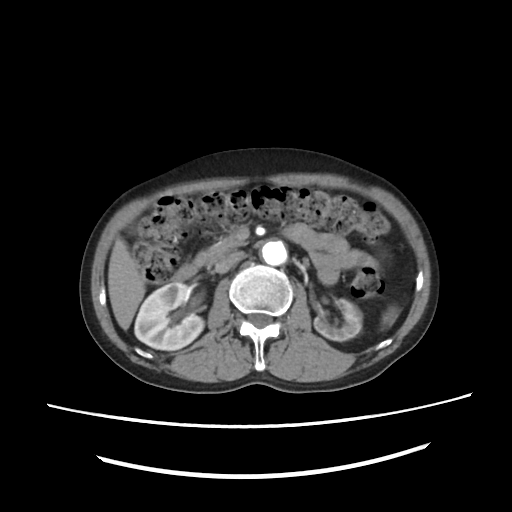
Computed tomography, abdomen · axial view · W/L 400/40 HU · 67-year-old male patient · scan has 15 labeled organs (a whole-scan count: organs this slice does not pass through have no box)
Organ boxes in pixel coordinates; each row gives the top-left (x1, y1) and bottom-right (x2, y2) corners.
| organ | x1 | y1 | x2 | y2 |
|---|---|---|---|---|
| spleen | 381 | 307 | 398 | 327 |
| right kidney | 134 | 282 | 204 | 350 |
| left kidney | 314 | 297 | 361 | 341 |
| liver | 107 | 238 | 144 | 329 |
| aorta | 262 | 240 | 286 | 266 |
| inferior vena cava | 214 | 252 | 246 | 272 |
| pancreas | 197 | 227 | 246 | 266 |
| duodenum | 172 | 264 | 197 | 281 |